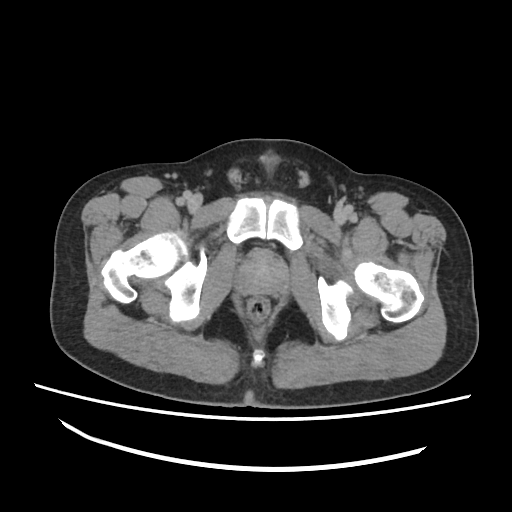
CT abdomen; axial view
Each box given as x1,y1,x2,y2.
prostate/uterus: x1=235, y1=253, x2=283, y2=293